CT, abdomen/pelvis — Axial slice 57/121 — abdomen soft-tissue window — acquired on SOMATOM Force
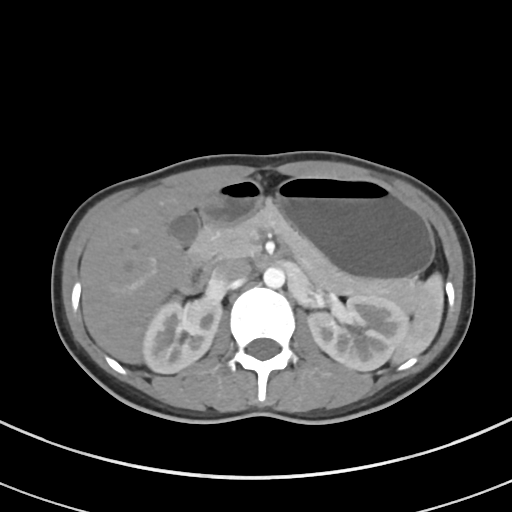 Coordinates as <box>x1,y1,x2,y2</box> in pixels.
Organ bounding boxes:
- spleen: <box>393,273,443,363</box>
- right kidney: <box>142,296,221,373</box>
- left kidney: <box>307,295,409,371</box>
- gall bladder: <box>168,211,200,245</box>
- liver: <box>79,180,225,364</box>
- stomach: <box>200,175,433,278</box>
- aorta: <box>263,267,284,288</box>
- inferior vena cava: <box>210,259,250,286</box>
- pancreas: <box>195,201,418,310</box>
- duodenum: <box>179,222,218,293</box>